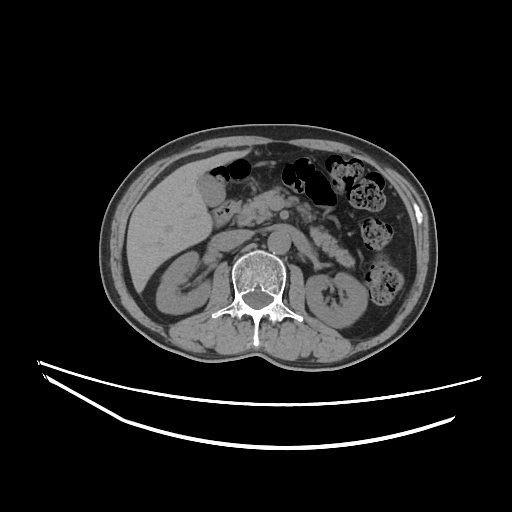 CT abdomen; axial view; soft-tissue window (W 400 / L 40); 512x512 px; 68-year-old male patient
Boxes: x1:y1:x2:y2 in pixels.
Organ bounding boxes:
- right kidney: 156:251:211:313
- left kidney: 305:273:367:327
- gall bladder: 198:173:225:206
- liver: 126:149:249:292
- aorta: 268:231:290:254
- inferior vena cava: 217:230:251:250
- pancreas: 236:188:354:267
- duodenum: 213:200:240:226